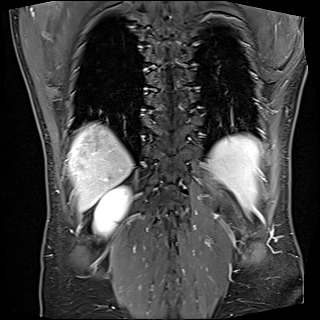

Magnetic resonance imaging, abdomen; coronal view; 1st–99th percentile window
<organs><organ name="spleen" x1="208" y1="135" x2="259" y2="211"/><organ name="right kidney" x1="94" y1="185" x2="129" y2="235"/><organ name="liver" x1="68" y1="123" x2="132" y2="212"/></organs>